Computed tomography, abdomen — axial plane, index 170 — soft-tissue window (W 400 / L 40)
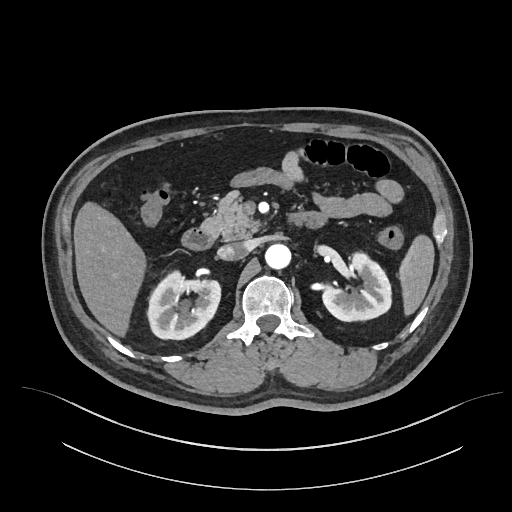
Coordinates as <box>x1,y1,x2,y2</box> in pixels.
Organ bounding boxes:
- left kidney: <box>321,253,390,321</box>
- right kidney: <box>148,272,220,339</box>
- aorta: <box>265,244,290,269</box>
- spleen: <box>399,235,434,316</box>
- pancreas: <box>202,190,259,240</box>
- liver: <box>74,202,148,338</box>
- duodenum: <box>182,227,217,250</box>
- inferior vena cava: <box>217,242,248,261</box>